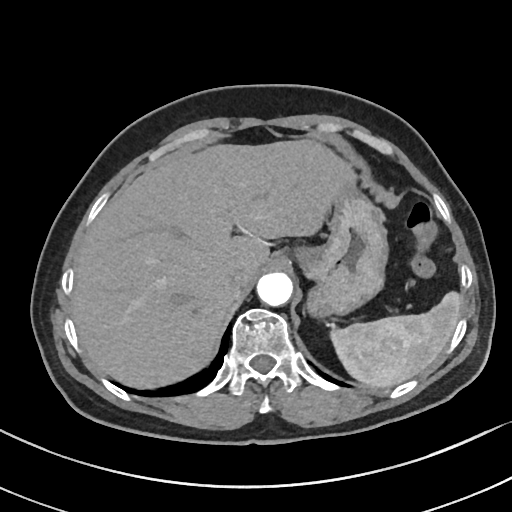

Abdominal CT; Axial slice 179/294; 512x512 px; acquired on SOMATOM Force
Organ boxes in pixel coordinates; each row gives the top-left (x1, y1) and bottom-right (x2, y2) corners.
| organ | x1 | y1 | x2 | y2 |
|---|---|---|---|---|
| spleen | 330 | 291 | 461 | 388 |
| liver | 71 | 139 | 354 | 388 |
| stomach | 295 | 186 | 387 | 317 |
| aorta | 256 | 272 | 292 | 306 |
| inferior vena cava | 223 | 266 | 251 | 290 |